Abdominal CT reaching into the chest; this slice is in the chest. axial view. soft-tissue window, W/L 400/40
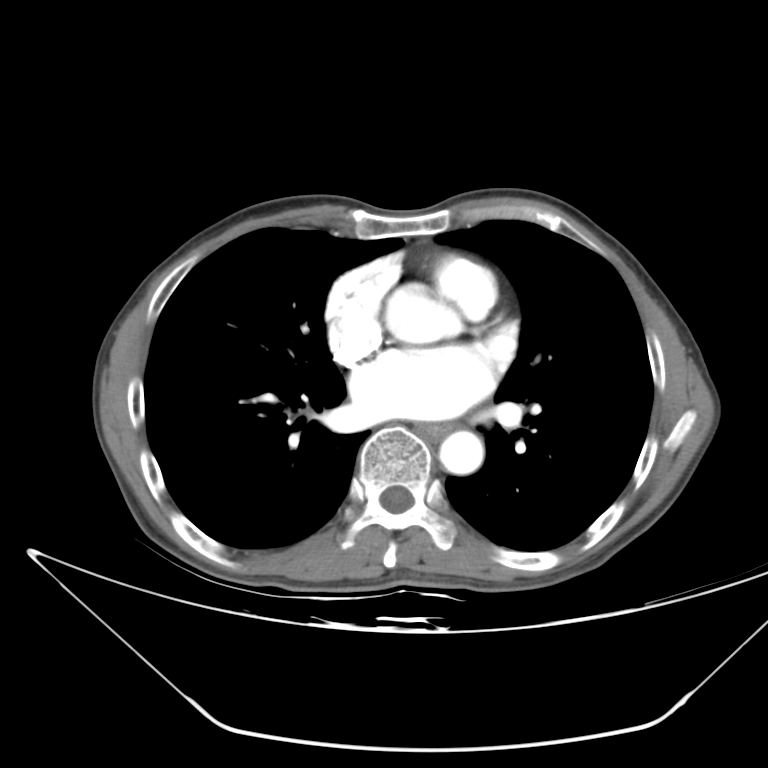
At this level of the chest this dataset labels only the esophagus and the aorta, and each is boxed only where it is labeled; the heart and lungs are never labeled.
{"organs":{"esophagus":[415,423,450,438],"aorta":[439,430,483,474]}}